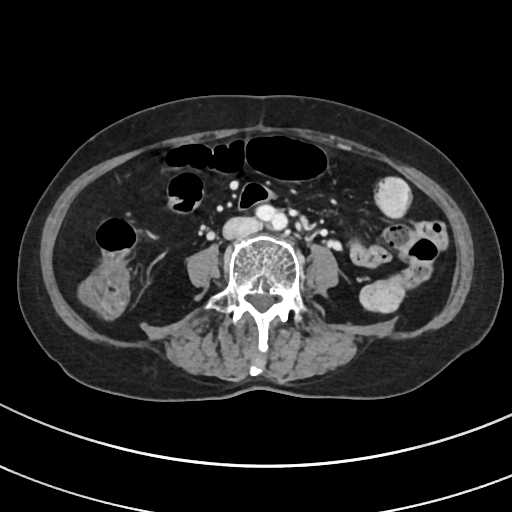 Computed tomography, abdomen; axial plane, index 97; abdomen soft-tissue window
Box edges are left/top/right/bottom in pixels.
inferior vena cava: left=222, top=216, right=258, bottom=237
aorta: left=258, top=205, right=287, bottom=229